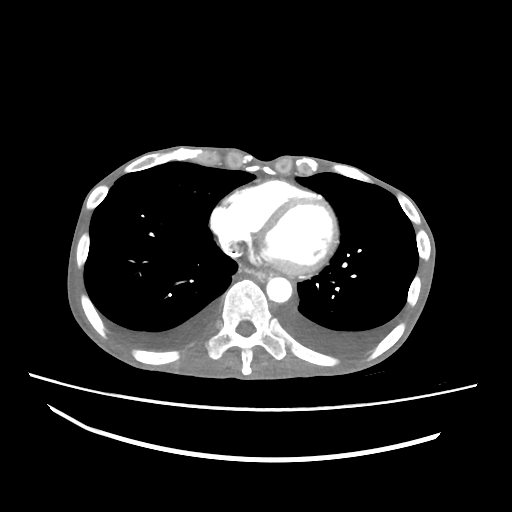 CT of the abdomen reaching into the lower chest, slice just above the liver and spleen — axial plane, index 83 — W/L 400/40 HU — 512x512 px — 47-year-old male patient
Of the structures in the chest, this dataset labels only the esophagus, the aorta and the inferior vena cava; the heart and lungs have no label.
Boxes are (x1, y1, x2, y2) in pixels.
esophagus: (238, 264, 270, 277)
aorta: (266, 277, 292, 302)